CT, abdomen/pelvis — axial view — 512x512 px
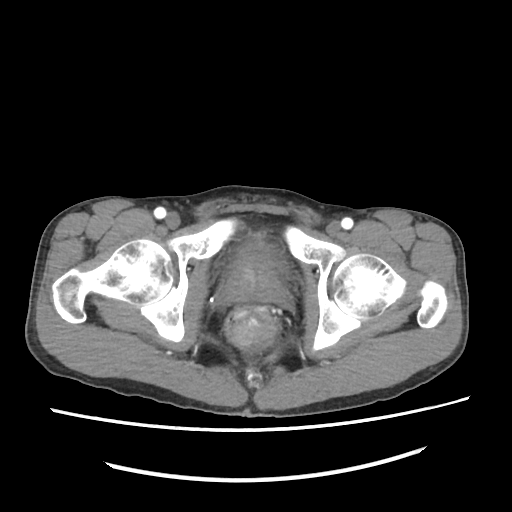
Organ boxes in pixel coordinates; each row gives the top-left (x1, y1) and bottom-right (x2, y2) corners.
| organ | x1 | y1 | x2 | y2 |
|---|---|---|---|---|
| prostate/uterus | 225 | 264 | 282 | 303 |
| bladder | 241 | 242 | 270 | 264 |